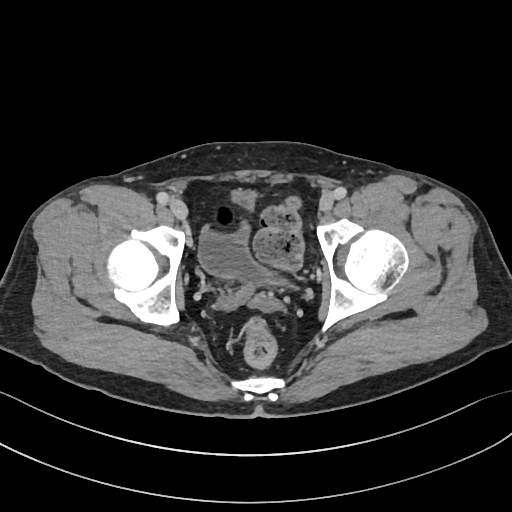

Abdominal CT; Axial slice 42/230; soft-tissue window (W 400 / L 40); SOMATOM Force scanner
<organs><organ name="bladder" x1="198" y1="190" x2="295" y2="288"/></organs>